Abdominal CT. axial view. 512x512 px
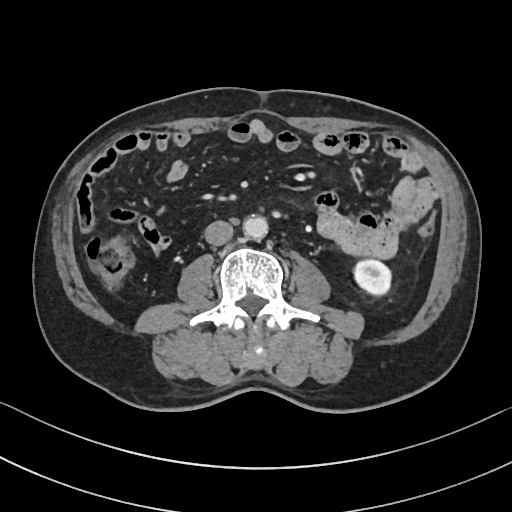 One row per box, in pixels: columns x1 and y1 give the top-left corner, x2 and y2 the bottom-right.
| organ | x1 | y1 | x2 | y2 |
|---|---|---|---|---|
| left kidney | 355 | 260 | 391 | 294 |
| inferior vena cava | 205 | 220 | 233 | 245 |
| aorta | 243 | 215 | 267 | 238 |